CT abdomen · Axial slice 23/222 · 512x512 px
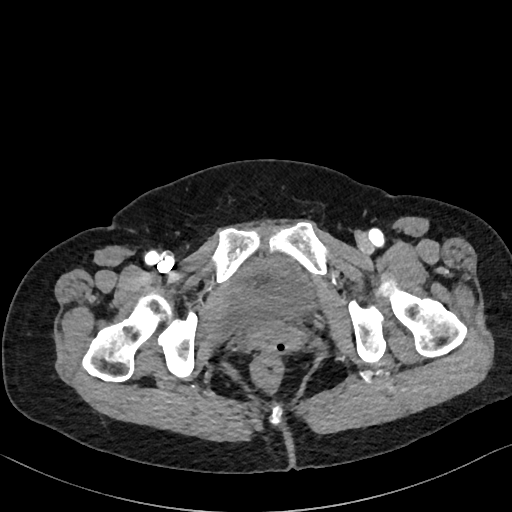
{"organs":{"bladder":[211,253,321,342]}}